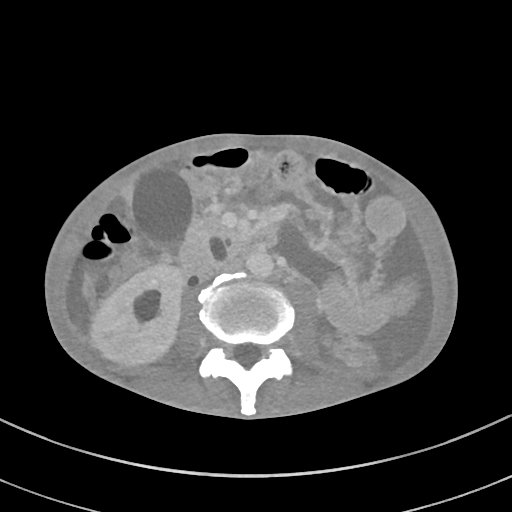
Abdominal CT. axial view
Bounding boxes as [x1, y1, x2, y2] in pixel coordinates.
Organ bounding boxes:
- duodenum: [175, 227, 277, 274]
- aorta: [246, 249, 273, 277]
- gall bladder: [133, 167, 194, 246]
- pancreas: [181, 216, 247, 269]
- inferior vena cava: [211, 259, 241, 273]
- right kidney: [91, 265, 182, 364]